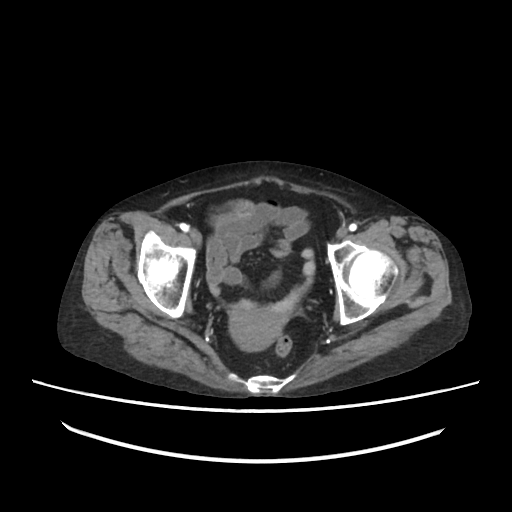
Abdominal CT. axial view. abdomen soft-tissue window
{"organs":{"prostate/uterus":[230,307,290,350]}}